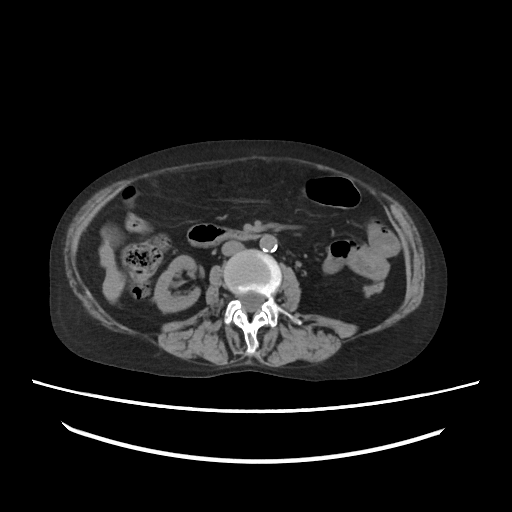

CT abdomen · Axial slice 51/89 · 512x512 px · scan has 15 labeled organs (a whole-scan count: organs this slice does not pass through have no box)
Organ boxes in pixel coordinates; each row gives the top-left (x1, y1) and bottom-right (x2, y2) corners.
| organ | x1 | y1 | x2 | y2 |
|---|---|---|---|---|
| right kidney | 154 | 255 | 198 | 311 |
| liver | 99 | 226 | 124 | 303 |
| aorta | 259 | 234 | 277 | 251 |
| inferior vena cava | 221 | 241 | 243 | 255 |
| duodenum | 187 | 224 | 261 | 247 |